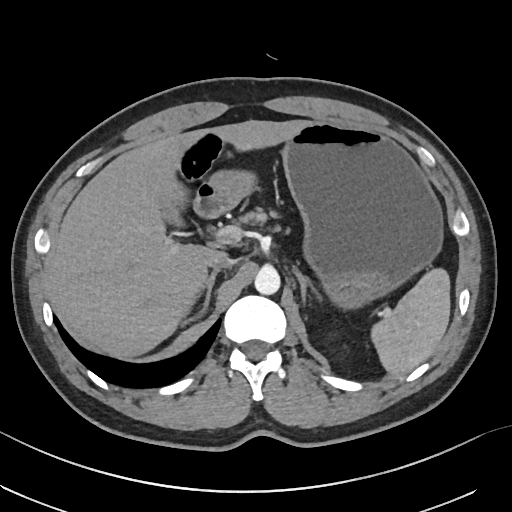

Abdominal CT · axial view · soft-tissue window · 512x512 px · SOMATOM Force scanner
Boxes: x1:y1:x2:y2 in pixels.
Organ bounding boxes:
- right adrenal gland: 182:270:217:325
- duodenum: 194:184:226:218
- stomach: 204:121:442:309
- pancreas: 242:208:266:222
- spleen: 371:268:450:376
- liver: 54:120:308:358
- aorta: 254:266:280:294
- gall bladder: 161:198:182:225
- inferior vena cava: 207:253:235:270
- left adrenal gland: 293:267:320:303